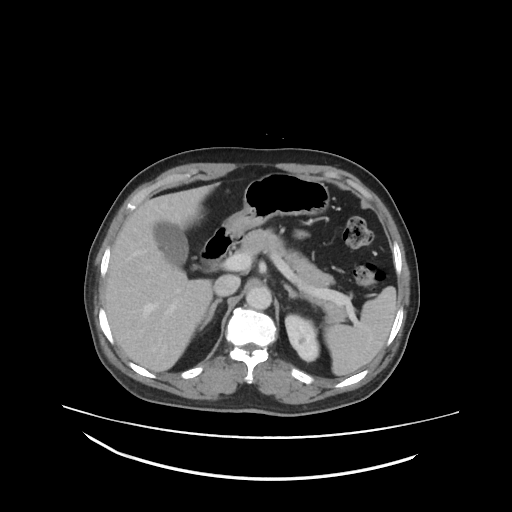 Abdominal CT. Axial slice 67/116. soft-tissue window (W 400 / L 40)
{"organs":{"spleen":[322,286,397,375],"left kidney":[285,314,319,361],"gall bladder":[155,222,187,264],"liver":[104,186,213,372],"stomach":[225,171,329,234],"aorta":[245,286,271,310],"inferior vena cava":[214,274,240,296],"pancreas":[239,229,346,323],"right adrenal gland":[200,298,222,328],"left adrenal gland":[284,284,300,297],"duodenum":[200,225,244,268]}}